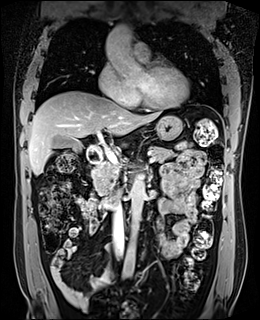 Abdominal MRI · coronal view · 260x320 px
Boxes are (x1, y1, x2, y2) in pixels.
gall bladder: (53, 137, 82, 152)
liver: (28, 91, 161, 175)
stomach: (155, 115, 182, 140)
aorta: (105, 24, 147, 82)
aorta: (121, 175, 145, 273)
inferior vena cava: (112, 199, 124, 257)
pancreas: (92, 146, 174, 194)
left adrenal gland: (151, 169, 151, 172)
duodenum: (87, 144, 115, 208)